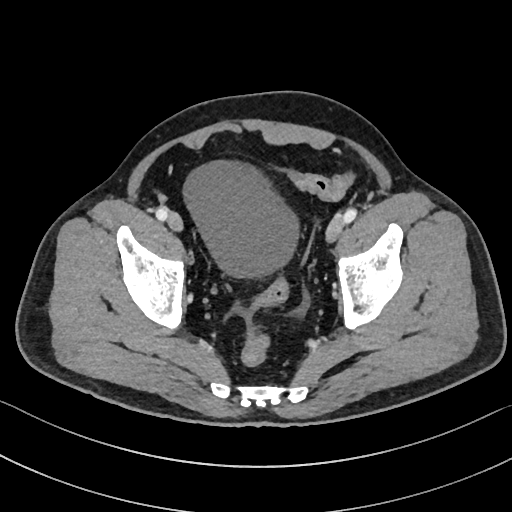

Abdominal CT; axial view; soft-tissue window (W 400 / L 40); SOMATOM Force scanner; scan has 15 labeled organs (counted over the whole 3D scan, not this slice; an organ is boxed only where this slice passes through it)
{"organs":{"bladder":[183,161,298,277]}}